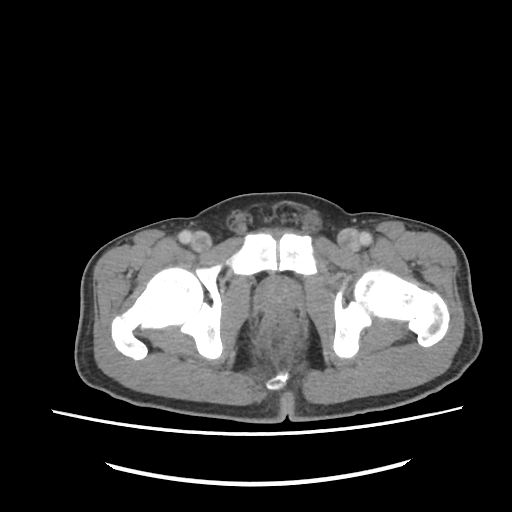
CT, abdomen/pelvis; axial plane, index 15; soft-tissue window (W 400 / L 40); 54-year-old male patient
<organs><organ name="prostate/uterus" x1="258" y1="279" x2="299" y2="314"/></organs>